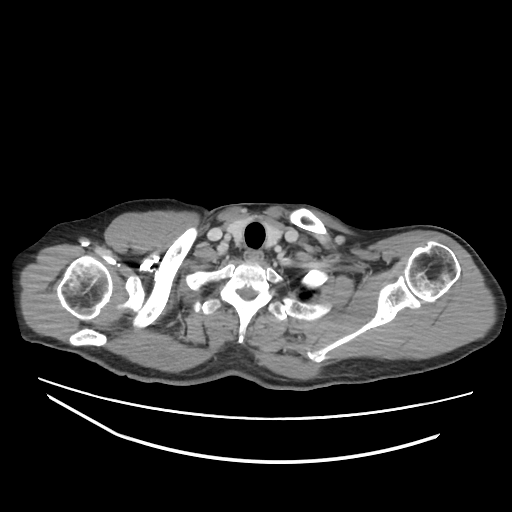
Chest-level slice from an abdominal CT that extends up into the chest; axial view
On a slice this high in the chest, this dataset labels only the esophagus and the aorta, and each is boxed only where it is labeled; the heart, lungs and other chest structures are not labeled.
{"organs":{"esophagus":[244,250,263,263]}}